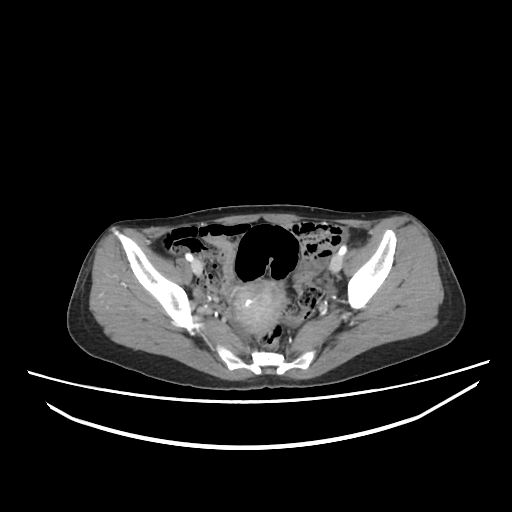
Abdominal CT — axial plane, index 16 — soft-tissue window
Box edges are left/top/right/bottom in pixels. Labeled organs on this slice: prostate/uterus at left=235, top=281, right=283, bottom=332.